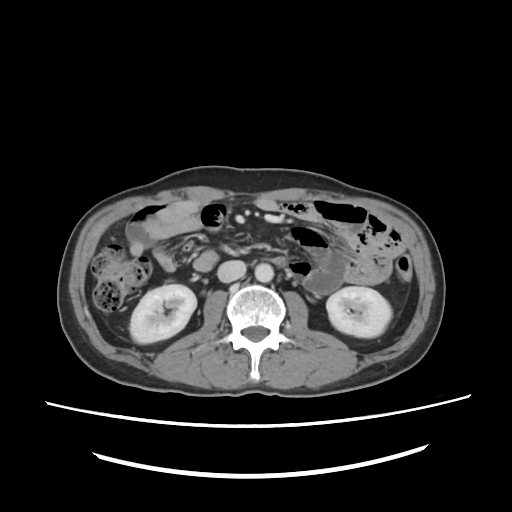

CT, abdomen/pelvis; Axial slice 58/126; 512x512 px; Aquilion ONE scanner; 15 organs annotated in this scan (a whole-scan count: organs this slice does not pass through have no box)
Box edges are left/top/right/bottom in pixels.
right kidney: left=130, top=284, right=196, bottom=343
left kidney: left=326, top=286, right=390, bottom=337
aorta: left=255, top=263, right=273, bottom=283
inferior vena cava: left=218, top=257, right=244, bottom=281